CT, abdomen/pelvis · Axial slice 160/208 · abdomen soft-tissue window
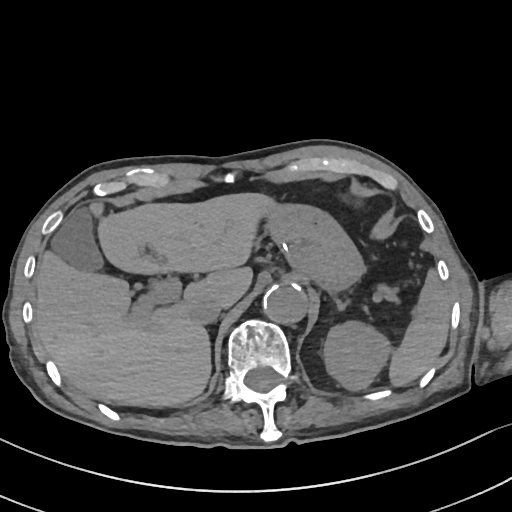

Bounding boxes in pixels, one row per box: x1, y1 is the top-left corner and x2, y2 the bottom-right.
| organ | x1 | y1 | x2 | y2 |
|---|---|---|---|---|
| spleen | 389 | 271 | 449 | 386 |
| aorta | 263 | 283 | 307 | 324 |
| left kidney | 323 | 321 | 391 | 390 |
| stomach | 264 | 204 | 361 | 288 |
| liver | 34 | 192 | 277 | 407 |
| left adrenal gland | 334 | 298 | 348 | 310 |
| inferior vena cava | 190 | 296 | 223 | 324 |
| gall bladder | 51 | 207 | 103 | 271 |